Computed tomography, abdomen. axial view
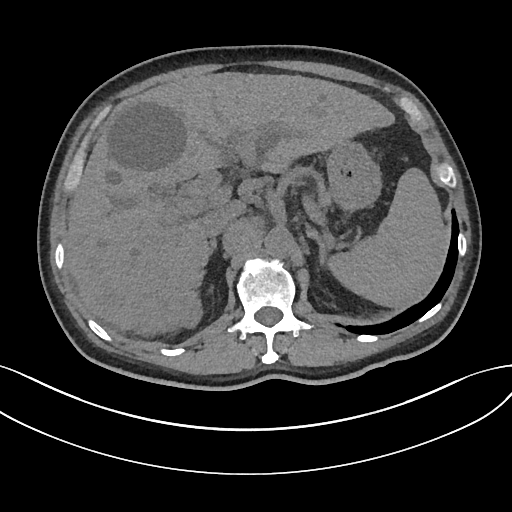

Coordinates as <box>x1,y1,x2,y2</box> in pixels.
Organ bounding boxes:
- aorta: <box>264,229,293,257</box>
- spleen: <box>328,168,449,307</box>
- stomach: <box>326,141,381,212</box>
- inferior vena cava: <box>201,205,235,237</box>
- right adrenal gland: <box>209,239,217,254</box>
- liver: <box>65,72,394,334</box>
- pancreas: <box>321,189,330,207</box>
- left adrenal gland: <box>306,226,325,264</box>